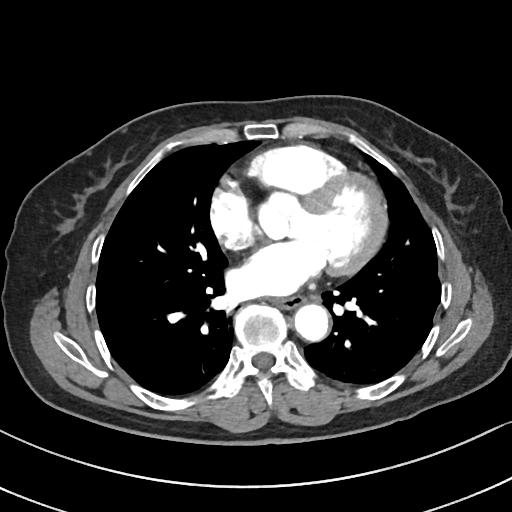 Abdominal CT; this slice is in the lower chest, just above the liver. axial view
Of the structures in the chest, this dataset labels only the esophagus, the aorta and the inferior vena cava; the heart and lungs have no label. Bounding boxes as [x1, y1, x2, y2] in pixel coordinates. Labeled organs on this slice: esophagus at [277, 297, 303, 310], aorta at [294, 306, 328, 342].